Abdominal CT · Axial slice 95/175
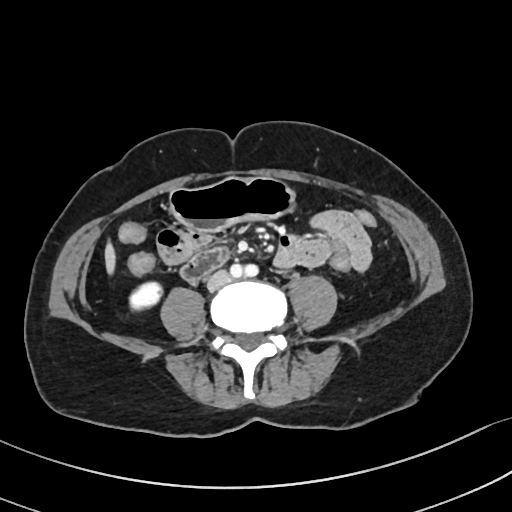

Boxes: x1 y1 x2 y2 (pixel coords, space-separated).
right kidney: 131 283 163 309
liver: 104 241 114 272
stomach: 170 178 293 232
inferior vena cava: 207 270 230 289
duodenum: 179 248 228 280